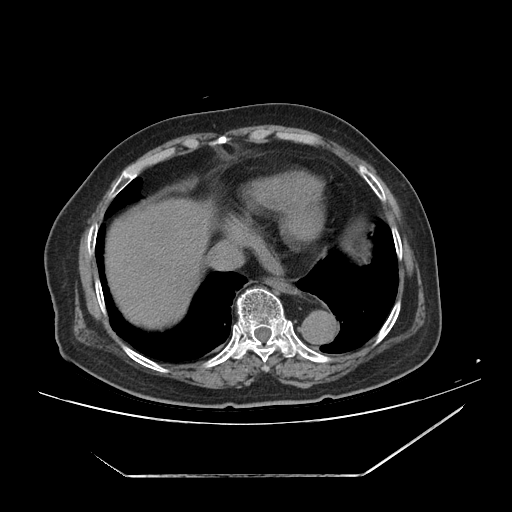 Abdominal CT · axial plane, index 147 · W/L 400/40 HU · 512x512 px · scan has 15 labeled organs (that count is for the whole scan; organs this slice misses have no box)
Bounding boxes in pixels, one row per box: x1, y1 is the top-left corner and x2, y2 the bottom-right.
| organ | x1 | y1 | x2 | y2 |
|---|---|---|---|---|
| liver | 108 | 200 | 207 | 325 |
| aorta | 301 | 308 | 337 | 343 |
| inferior vena cava | 205 | 239 | 246 | 270 |
| esophagus | 269 | 280 | 300 | 296 |